Lower-chest slice from an abdominal CT, just above the liver and spleen; axial view; soft-tissue window (W 400 / L 40); 768x768 px; 59-year-old male patient; acquired on Brilliance16
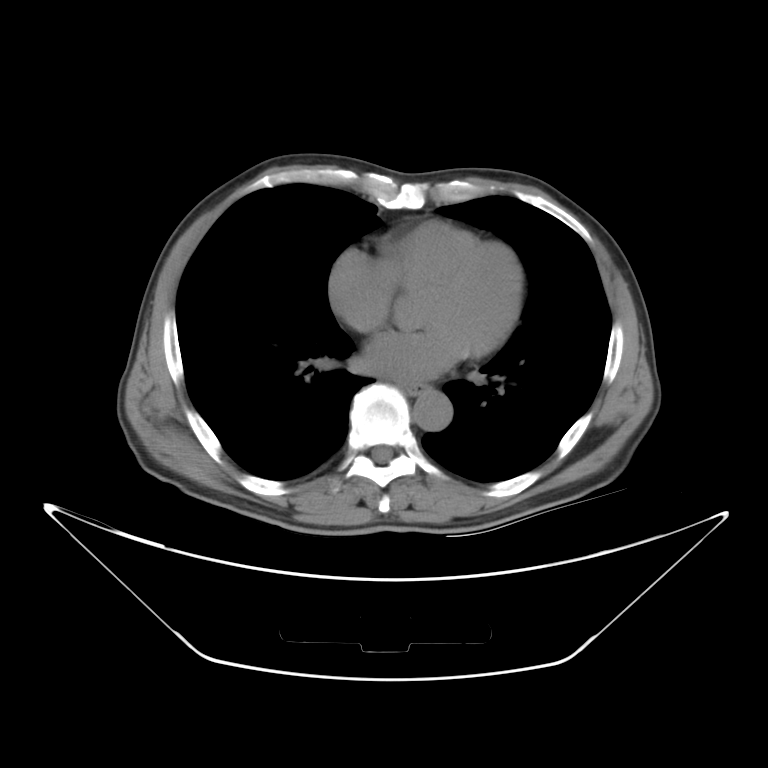 Of the structures in the chest, this dataset labels only the esophagus, the aorta and the inferior vena cava; the heart and lungs have no label.
Box edges are left/top/right/bottom in pixels.
Organ bounding boxes:
- esophagus: left=398, top=382, right=430, bottom=393
- aorta: left=415, top=392, right=451, bottom=430